CT abdomen · Axial slice 160/230 · abdomen soft-tissue window · 512x512 px · SOMATOM Force scanner
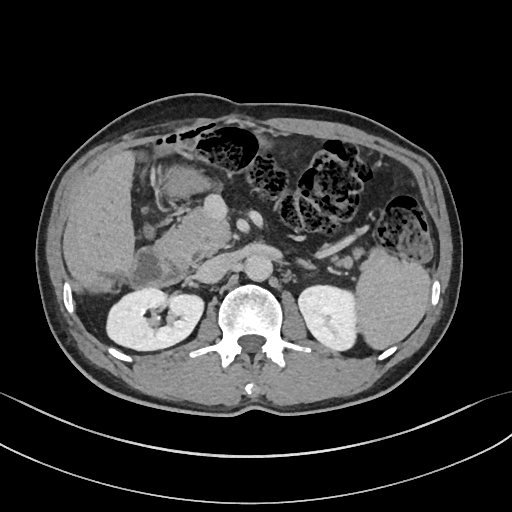 <organs><organ name="spleen" x1="354" y1="255" x2="429" y2="349"/><organ name="liver" x1="76" y1="151" x2="134" y2="274"/><organ name="left adrenal gland" x1="298" y1="259" x2="315" y2="269"/><organ name="inferior vena cava" x1="199" y1="253" x2="235" y2="282"/><organ name="aorta" x1="244" y1="253" x2="272" y2="280"/><organ name="pancreas" x1="160" y1="208" x2="387" y2="266"/><organ name="left kidney" x1="298" y1="284" x2="357" y2="350"/><organ name="stomach" x1="164" y1="166" x2="209" y2="195"/><organ name="duodenum" x1="129" y1="224" x2="187" y2="288"/><organ name="right kidney" x1="105" y1="288" x2="204" y2="350"/></organs>